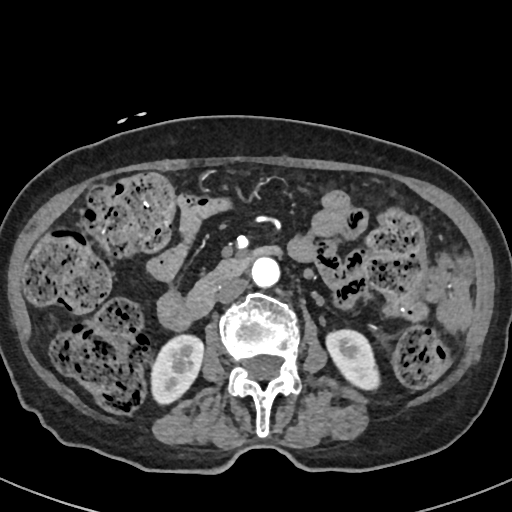

Abdominal CT. Axial slice 121/279. abdomen soft-tissue window. 15 organs annotated in this scan (that count is for the whole scan; organs this slice misses have no box)
Bounding boxes in pixels, one row per box: x1, y1 is the top-left corner and x2, y2 the bottom-right.
| organ | x1 | y1 | x2 | y2 |
|---|---|---|---|---|
| right kidney | 151 | 335 | 203 | 404 |
| left kidney | 326 | 329 | 379 | 390 |
| aorta | 251 | 258 | 280 | 287 |
| inferior vena cava | 215 | 277 | 248 | 303 |
| duodenum | 183 | 246 | 281 | 320 |